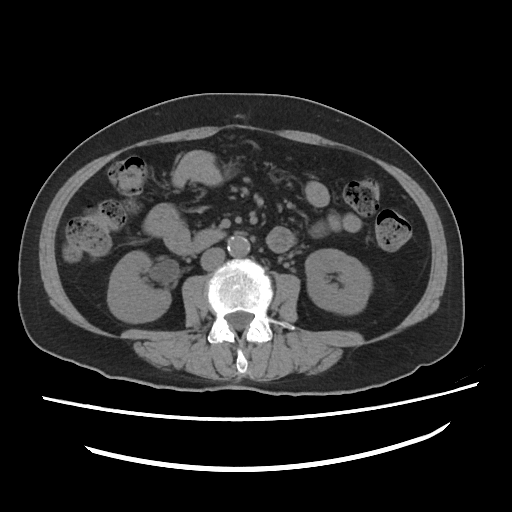
Abdominal CT; Axial slice 50/88; W/L 400/40 HU; 512x512 px; 61-year-old female patient; Aquilion ONE scanner; scan has 14 labeled organs (a whole-scan count: organs this slice does not pass through have no box)
Boxes: x1 y1 x2 y2 (pixel coords, space-separated).
Organ bounding boxes:
- right kidney: 108 251 170 322
- left kidney: 305 249 371 314
- aorta: 227 235 250 257
- inferior vena cava: 201 247 225 270
- duodenum: 189 229 224 252